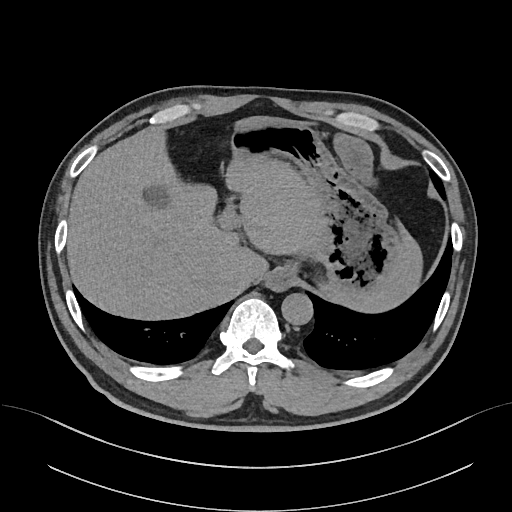

Abdominal CT; axial view; 512x512 px
Each box given as x1,y1,x2,y2.
esophagus: x1=265, y1=267, x2=293, y2=292
aorta: x1=281, y1=293, x2=312, y2=325
gall bladder: x1=149, y1=194, x2=158, y2=201
inferior vena cava: x1=231, y1=269, x2=252, y2=291
stomach: x1=231, y1=125, x2=395, y2=288
liver: x1=67, y1=116, x2=422, y2=318